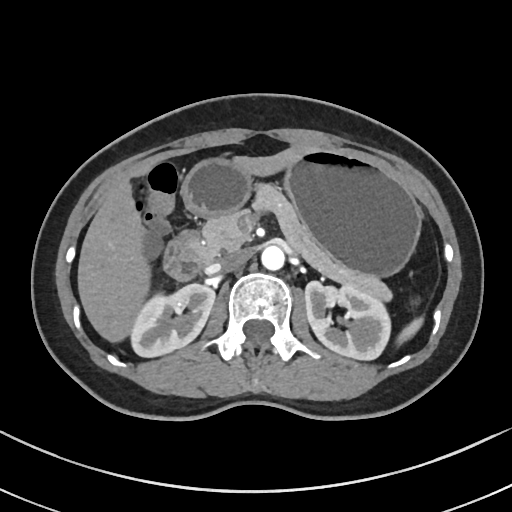
CT, abdomen/pelvis · axial plane, index 168 · soft-tissue window
One row per box, in pixels: columns x1 and y1 give the top-left corner, x2 and y2 the bottom-right.
| organ | x1 | y1 | x2 | y2 |
|---|---|---|---|---|
| pancreas | 202 | 184 | 392 | 301 |
| duodenum | 163 | 230 | 211 | 280 |
| spleen | 397 | 317 | 423 | 343 |
| left kidney | 305 | 281 | 390 | 360 |
| stomach | 181 | 148 | 421 | 275 |
| liver | 77 | 146 | 311 | 342 |
| inferior vena cava | 217 | 251 | 246 | 270 |
| right kidney | 129 | 284 | 215 | 357 |
| aorta | 261 | 245 | 284 | 270 |